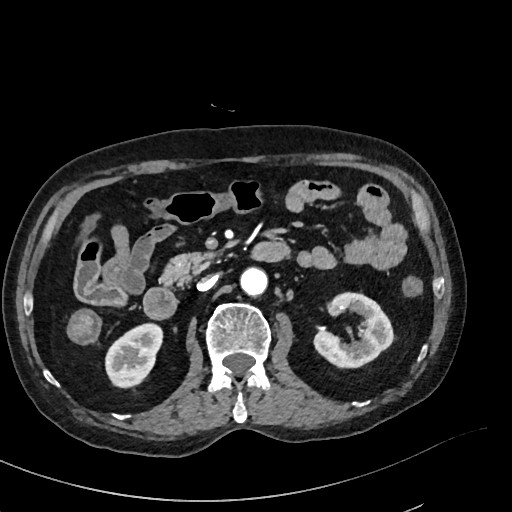
Computed tomography, abdomen; axial plane, index 145; 512x512 px
{"organs":{"right kidney":[105,322,164,388],"left kidney":[313,293,393,368],"aorta":[240,268,267,297],"inferior vena cava":[197,275,217,291],"pancreas":[160,252,217,285],"duodenum":[144,288,176,317]}}